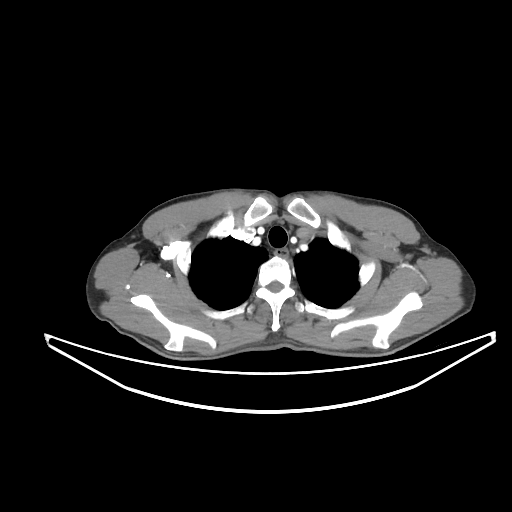

Abdominal CT reaching into the chest; this slice is in the chest. axial view. W/L 400/40 HU. 15 organs annotated in this scan (that count is for the whole scan; organs this slice misses have no box)
At this level of the chest this dataset labels only the esophagus and the aorta, and each is boxed only where it is labeled; the heart and lungs are never labeled. Boxes are (x1, y1, x2, y2) in pixels. 1 labeled organ on this slice — esophagus at (275, 250, 287, 257).